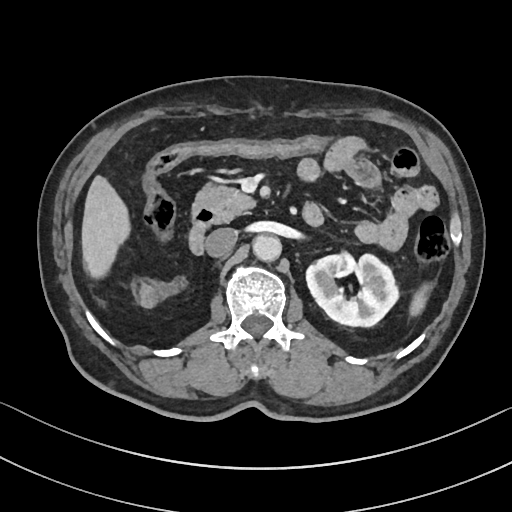
Abdominal CT — axial view — scan has 14 labeled organs (a whole-scan count: organs this slice does not pass through have no box)
Box edges are left/top/right/bottom in pixels.
Organ bounding boxes:
- spleen: left=410, top=286, right=429, bottom=317
- left kidney: left=305, top=253, right=400, bottom=327
- liver: left=82, top=176, right=129, bottom=277
- aorta: left=252, top=234, right=281, bottom=260
- inferior vena cava: left=205, top=227, right=237, bottom=256
- pancreas: left=193, top=186, right=255, bottom=222
- duodenum: left=189, top=210, right=215, bottom=254